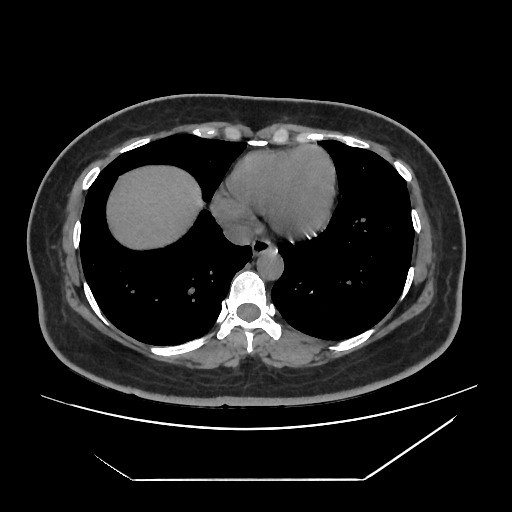
CT, abdomen/pelvis · axial view · 512x512 px
<organs><organ name="esophagus" x1="252" y1="238" x2="273" y2="255"/><organ name="liver" x1="107" y1="166" x2="202" y2="249"/><organ name="aorta" x1="257" y1="250" x2="283" y2="279"/><organ name="inferior vena cava" x1="224" y1="223" x2="253" y2="245"/></organs>